Computed tomography, abdomen; axial view; W/L 400/40 HU
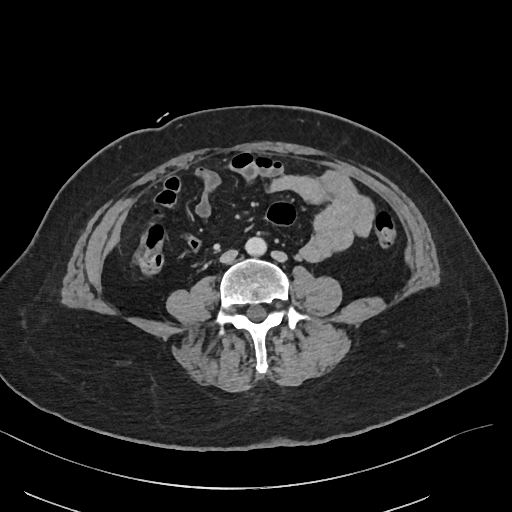

Box edges are left/top/right/bottom in pixels.
aorta: left=245, top=236, right=266, bottom=255
inferior vena cava: left=220, top=250, right=237, bottom=262